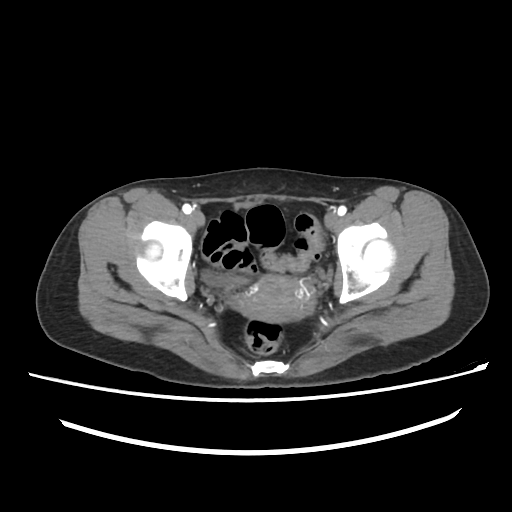
Computed tomography, abdomen · axial view · soft-tissue window · 45-year-old female patient
{"organs":{"bladder":[202,271,228,286],"prostate/uterus":[235,275,311,322]}}